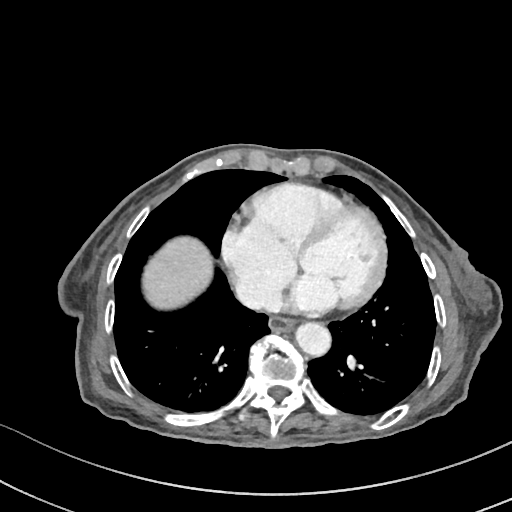

CT abdomen · Axial slice 224/236 · 512x512 px · acquired on SOMATOM Force
Box edges are left/top/right/bottom in pixels.
aorta: left=297, top=323, right=332, bottom=358
esophagus: left=270, top=318, right=296, bottom=332
inferior vena cava: left=236, top=282, right=258, bottom=305
liver: left=141, top=237, right=212, bottom=306